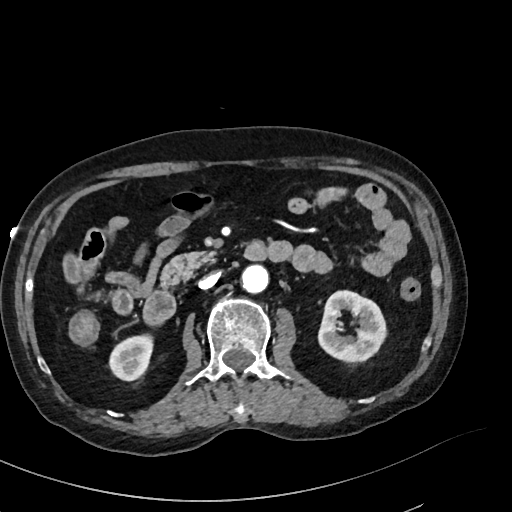

CT abdomen — Axial slice 142/235
<organs><organ name="right kidney" x1="109" y1="334" x2="153" y2="380"/><organ name="duodenum" x1="144" y1="241" x2="267" y2="322"/><organ name="aorta" x1="241" y1="264" x2="268" y2="292"/><organ name="left kidney" x1="318" y1="290" x2="386" y2="362"/><organ name="pancreas" x1="161" y1="252" x2="214" y2="286"/><organ name="inferior vena cava" x1="199" y1="272" x2="219" y2="289"/></organs>